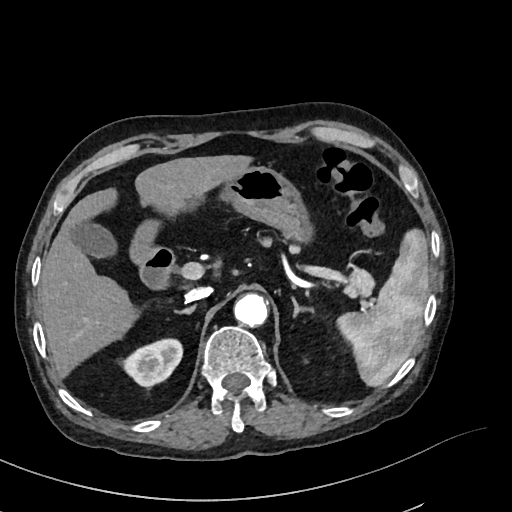 Computed tomography, abdomen; axial view; 512x512 px
Bounding boxes as [x1, y1, x2, y2] in pixel coordinates.
right adrenal gland: [174, 304, 196, 314]
stomach: [129, 166, 313, 262]
duodenum: [137, 247, 175, 289]
aorta: [234, 293, 267, 326]
spleen: [336, 228, 428, 386]
liver: [39, 155, 252, 376]
inferior vena cava: [185, 287, 211, 302]
pancreas: [262, 239, 374, 296]
gall bladder: [72, 222, 117, 258]
right kidney: [122, 338, 182, 386]
left adrenal gland: [292, 298, 313, 316]